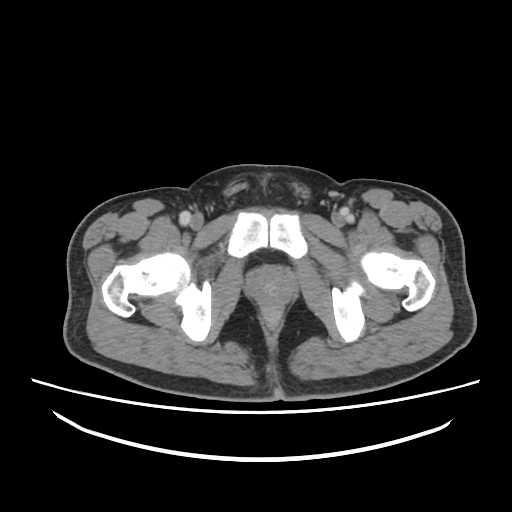
Abdominal CT; axial plane, index 13; soft-tissue window (W 400 / L 40)
Boxes are (x1, y1, x2, y2) in pixels.
Organ bounding boxes:
- prostate/uterus: (247, 267, 294, 306)